Abdominal MRI; axial view; 320x260 px; acquired on Prisma
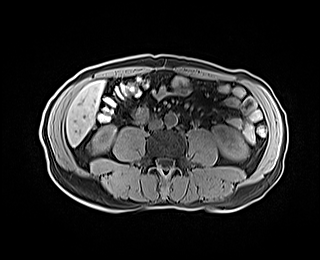
{"organs":{"inferior vena cava":[148,119,161,129],"aorta":[165,113,177,126],"right kidney":[87,126,116,154],"liver":[66,80,104,146],"left kidney":[213,125,248,160]}}